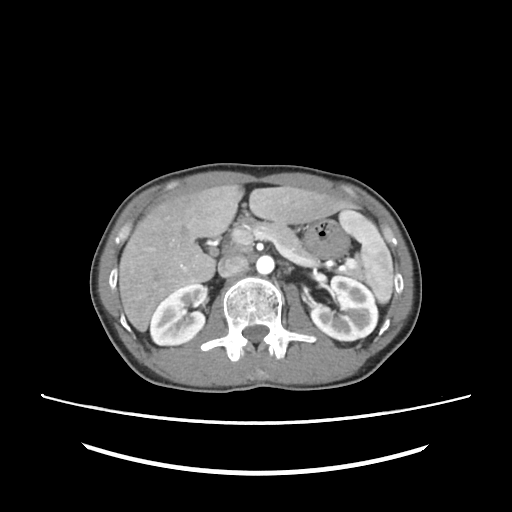 Abdominal CT — axial view — W/L 400/40 HU — 46-year-old male patient
Boxes: x1 y1 x2 y2 (pixel coords, space-separated).
spleen: 339 208 393 304
right kidney: 150 283 206 345
left kidney: 311 276 377 340
liver: 119 184 347 331
stomach: 304 218 349 257
aorta: 256 255 274 274
inferior vena cava: 218 254 248 277
pancreas: 248 221 315 259